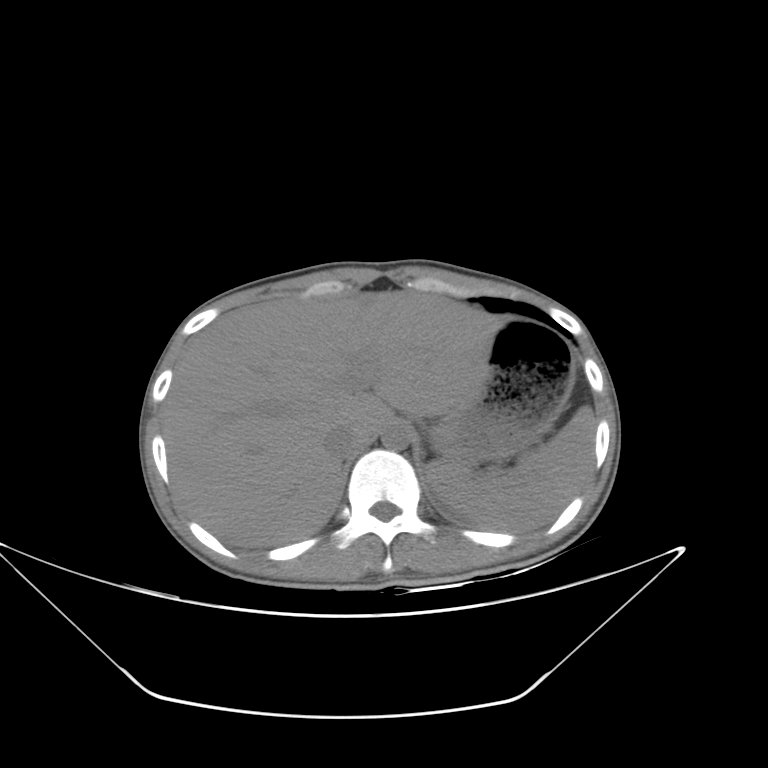
CT, abdomen/pelvis. axial plane, index 83
Coordinates as <box>x1,y1,x2,y2</box> in pixels. Labeled organs on this slice: spleen at <box>425,405,595,531</box>, liver at <box>162,290,505,547</box>, stomach at <box>430,318,573,465</box>, aorta at <box>381,422,410,450</box>, inferior vena cava at <box>324,426,359,456</box>.